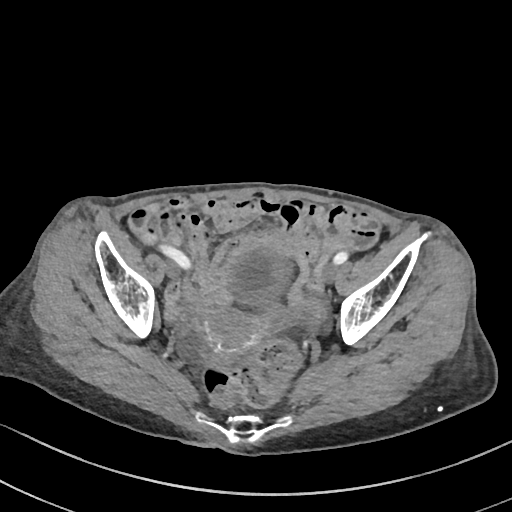
Computed tomography, abdomen · axial view · soft-tissue window
{"organs":{"bladder":[227,246,287,304],"prostate/uterus":[203,309,260,357]}}